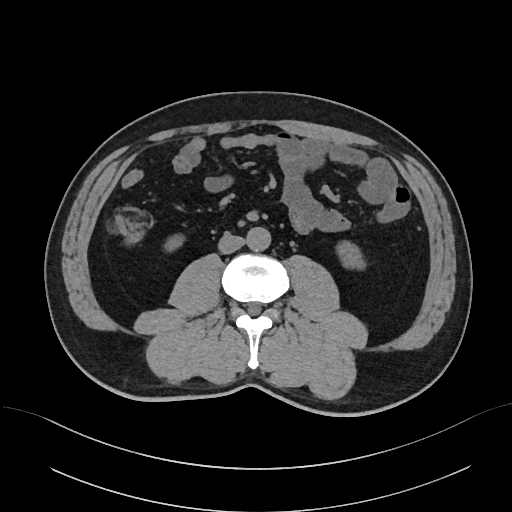 CT abdomen — axial view — soft-tissue window — 15 organs annotated in this scan (that count is for the whole scan; organs this slice misses have no box)
Each box given as x1,y1,x2,y2.
Organ bounding boxes:
- right kidney: x1=164, y1=237, x2=183, y2=252
- left kidney: x1=336, y1=241, x2=365, y2=269
- aorta: x1=246, y1=227, x2=270, y2=251
- inferior vena cava: x1=218, y1=233, x2=244, y2=253